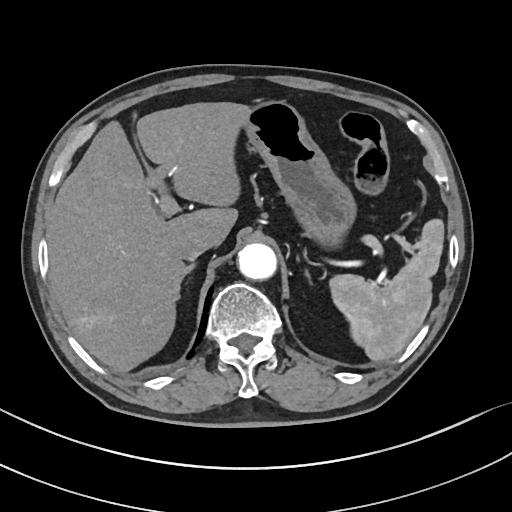

Computed tomography, abdomen. axial view
Each box given as x1,y1,x2,y2. Labeled organs on this slice: aorta at x1=238, y1=243, x2=277, y2=280, inferior vena cava at x1=176, y1=232, x2=212, y2=260, spleen at x1=329, y1=218, x2=444, y2=361, liver at x1=47, y1=102, x2=250, y2=371, stomach at x1=244, y1=101, x2=356, y2=244, left adrenal gland at x1=305, y1=270, x2=309, y2=279, right adrenal gland at x1=174, y1=263, x2=195, y2=300.